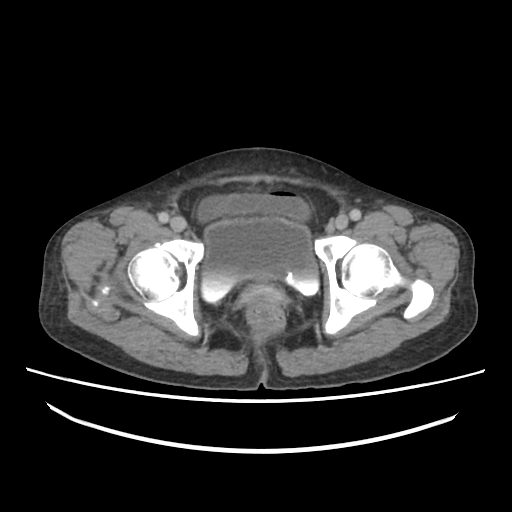

CT, abdomen/pelvis · axial view · 15 organs annotated in this scan (that count is for the whole scan; organs this slice misses have no box)
<organs><organ name="bladder" x1="199" y1="216" x2="320" y2="300"/></organs>